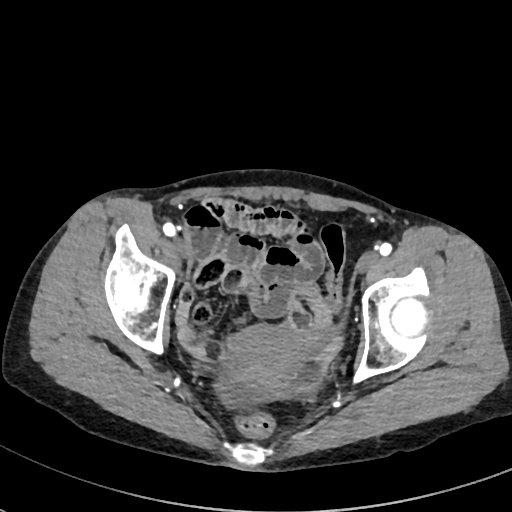

CT abdomen · axial plane, index 43 · soft-tissue window (W 400 / L 40)
Boxes: x1:y1:x2:y2 in pixels.
Organ bounding boxes:
- prostate/uterus: 231:325:305:398